CT abdomen · axial view · Brilliance16 scanner
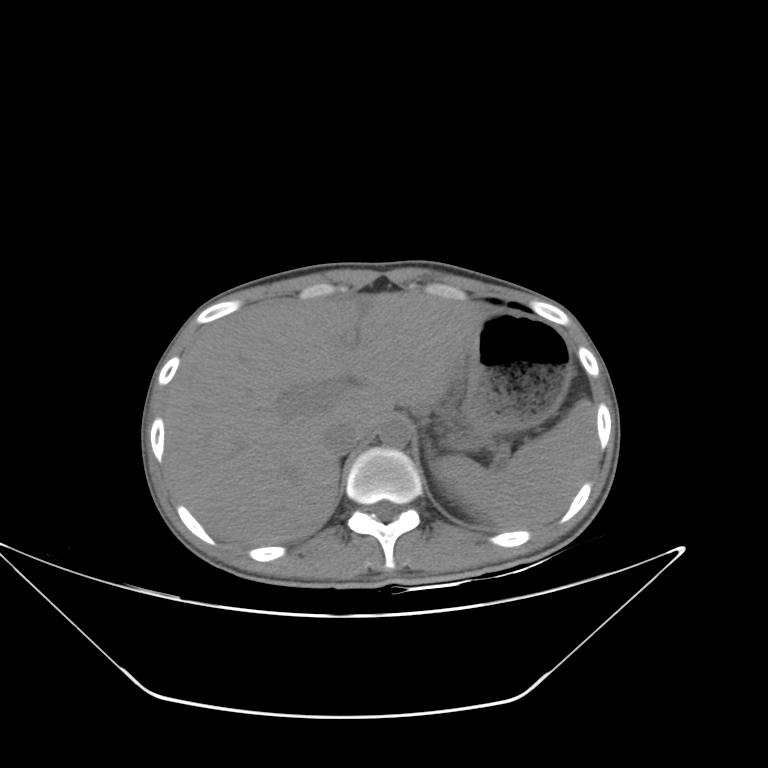
Boxes: x1 y1 x2 y2 (pixel coords, space-separated).
spleen: 436 398 596 529
liver: 164 291 487 545
stomach: 461 311 570 440
aorta: 380 419 410 448
inferior vena cava: 324 422 362 455
left adrenal gland: 427 451 433 470